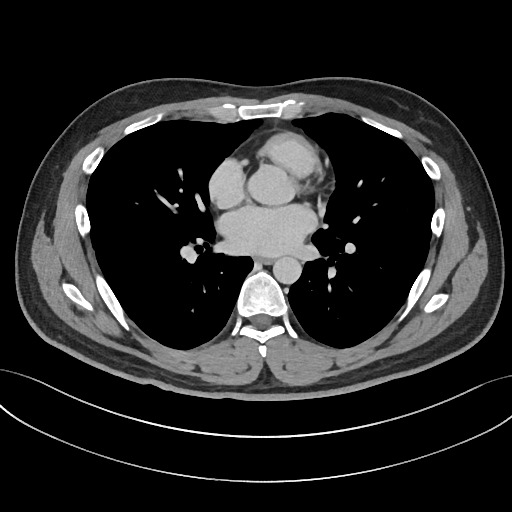

Chest-level CT slice, above the liver and spleen. axial view. W/L 400/40 HU. 512x512 px. acquired on SOMATOM Force
On a slice this high in the chest, this dataset labels only the esophagus and the aorta, and each is boxed only where it is labeled; the heart, lungs and other chest structures are not labeled. Box edges are left/top/right/bottom in pixels. Labeled organs on this slice: esophagus at left=254, top=256, right=272, bottom=264, aorta at left=273, top=256, right=301, bottom=284.